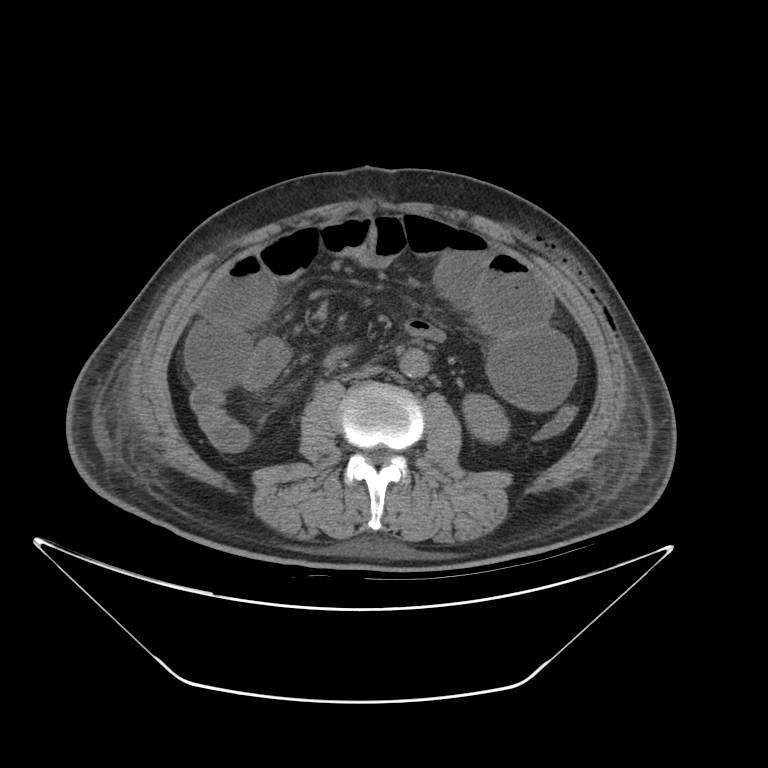

CT, abdomen/pelvis; Axial slice 54/99; 768x768 px; 66-year-old male patient
{"organs":{"left kidney":[462,392,505,442],"aorta":[397,351,428,379],"inferior vena cava":[339,368,381,384]}}